CT abdomen · axial view
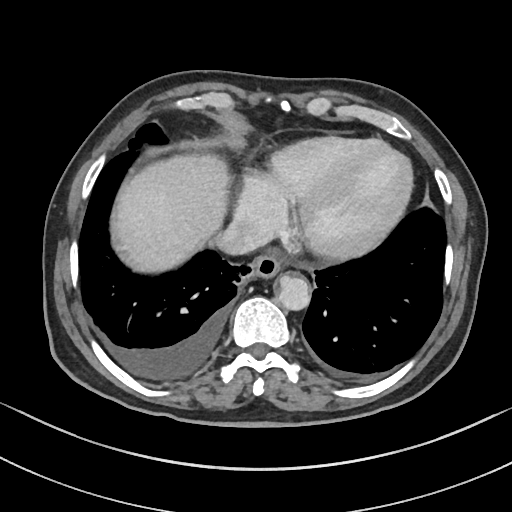
Box edges are left/top/right/bottom in pixels.
Organ bounding boxes:
- esophagus: left=252, top=254, right=279, bottom=276
- liver: left=117, top=154, right=230, bottom=270
- aorta: left=276, top=275, right=309, bottom=309
- inferior vena cava: left=211, top=221, right=266, bottom=256